Abdominal CT. Axial slice 148/232. soft-tissue window (W 400 / L 40). 512x512 px
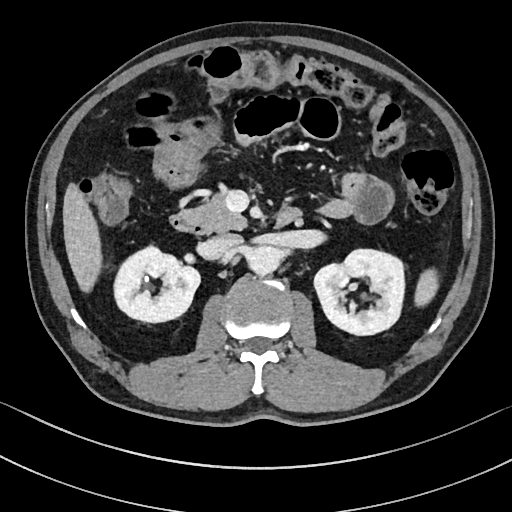 Box edges are left/top/right/bottom in pixels.
inferior vena cava: left=206, top=233, right=243, bottom=258
liver: left=63, top=182, right=99, bottom=293
left kidney: left=313, top=248, right=404, bottom=335
spleen: left=415, top=269, right=438, bottom=306
aorta: left=245, top=246, right=280, bottom=275
pancreas: left=181, top=192, right=246, bottom=230
duodenum: left=169, top=205, right=302, bottom=234
right kidney: left=115, top=248, right=200, bottom=322